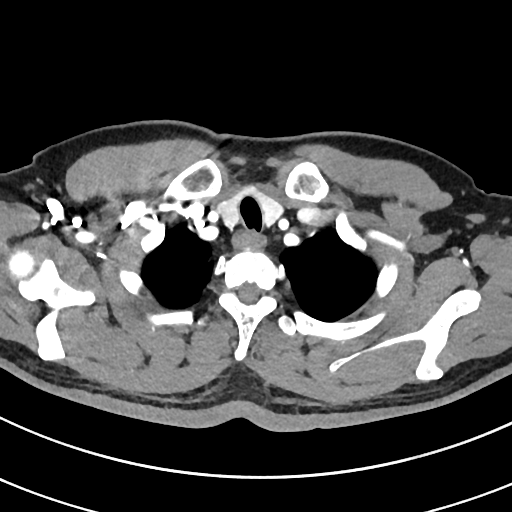

Chest-level CT slice, above the liver and spleen · axial view
At this level of the chest this dataset labels only the esophagus and the aorta, and each is boxed only where it is labeled; the heart and lungs are never labeled.
One row per box, in pixels: columns x1 and y1 give the top-left corner, x2 and y2 the bottom-right.
| organ | x1 | y1 | x2 | y2 |
|---|---|---|---|---|
| esophagus | 232 | 231 | 266 | 250 |